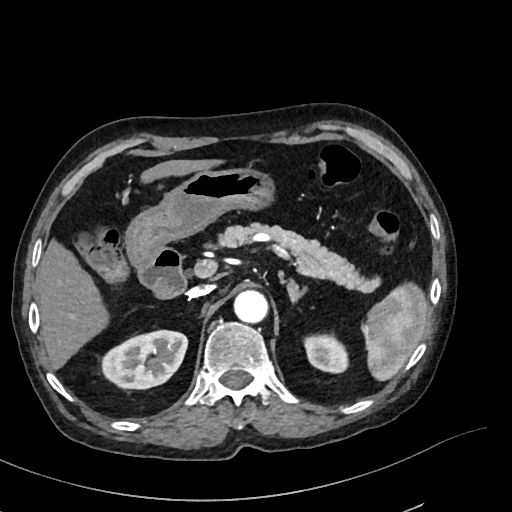 CT, abdomen/pelvis. axial plane, index 172
Bounding boxes in pixels, one row per box: x1, y1 is the top-left corner and x2, y2 the bottom-right.
| organ | x1 | y1 | x2 | y2 |
|---|---|---|---|---|
| gall bladder | 77 | 238 | 90 | 254 |
| spleen | 366 | 285 | 426 | 381 |
| left adrenal gland | 287 | 286 | 308 | 304 |
| right kidney | 102 | 331 | 186 | 388 |
| inferior vena cava | 186 | 285 | 212 | 298 |
| duodenum | 136 | 246 | 185 | 299 |
| aorta | 233 | 291 | 268 | 323 |
| liver | 36 | 158 | 220 | 369 |
| pancreas | 223 | 223 | 381 | 293 |
| stomach | 124 | 167 | 274 | 267 |
| left kidney | 305 | 336 | 347 | 372 |